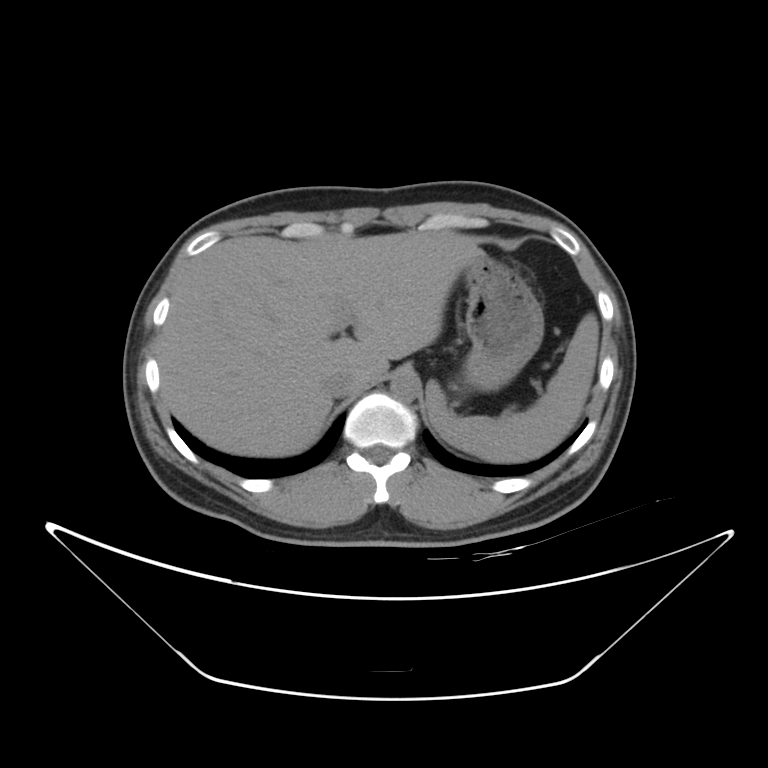 Abdominal CT. axial view. acquired on Brilliance16
<organs><organ name="spleen" x1="426" y1="314" x2="598" y2="462"/><organ name="liver" x1="159" y1="231" x2="479" y2="456"/><organ name="stomach" x1="462" y1="250" x2="544" y2="391"/><organ name="aorta" x1="390" y1="372" x2="420" y2="402"/><organ name="inferior vena cava" x1="323" y1="370" x2="354" y2="397"/></organs>